Abdominal CT. axial view. 512x512 px. scan has 15 labeled organs (counted over the whole 3D scan, not this slice; an organ is boxed only where this slice passes through it)
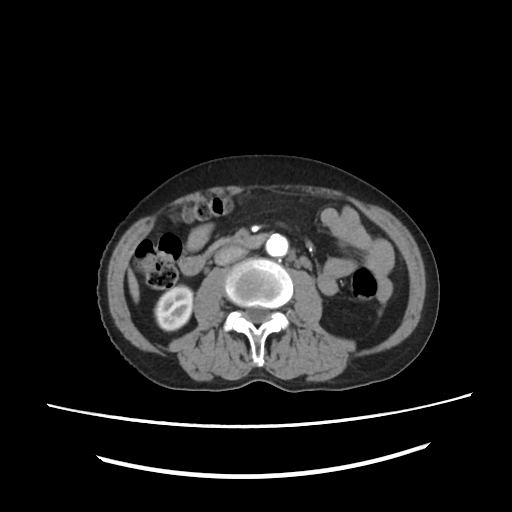 Bounding boxes in pixels, one row per box: x1, y1 is the top-left corner and x2, y2 the bottom-right.
| organ | x1 | y1 | x2 | y2 |
|---|---|---|---|---|
| right kidney | 155 | 286 | 192 | 329 |
| liver | 128 | 273 | 139 | 300 |
| aorta | 266 | 234 | 288 | 256 |
| inferior vena cava | 214 | 248 | 248 | 264 |
| duodenum | 178 | 234 | 267 | 274 |